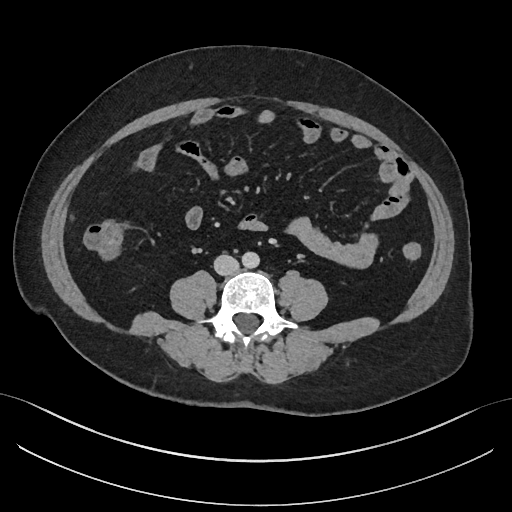

CT abdomen; axial view
{"organs":{"aorta":[241,251,259,268],"inferior vena cava":[214,254,238,275]}}